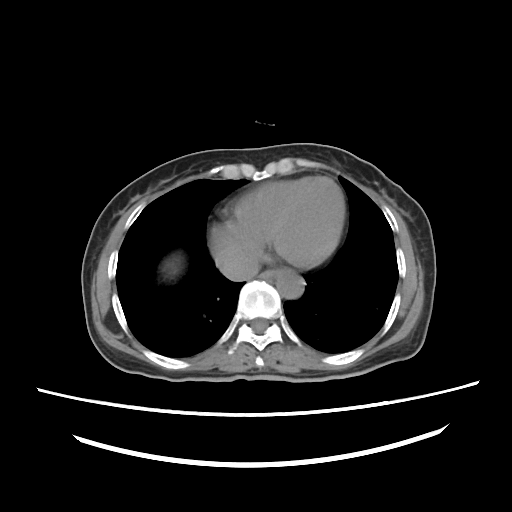 CT, abdomen/pelvis; axial view; abdomen soft-tissue window; 58-year-old female patient
Bounding boxes as [x1, y1, x2, y2] in pixel coordinates.
Organ bounding boxes:
- esophagus: [260, 269, 276, 279]
- liver: [165, 259, 178, 273]
- aorta: [275, 269, 304, 298]
- inferior vena cava: [218, 253, 258, 280]